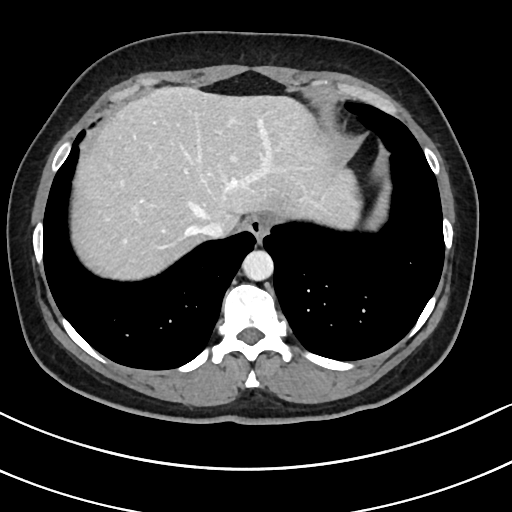
Abdominal CT; axial plane, index 184; 15 organs annotated in this scan (a whole-scan count: organs this slice does not pass through have no box)
Boxes: x1 y1 x2 y2 (pixel coords, space-separated).
Organ bounding boxes:
- aorta: 242 250 273 280
- inferior vena cava: 198 225 226 237
- esophagus: 244 216 269 242
- liver: 71 86 359 279